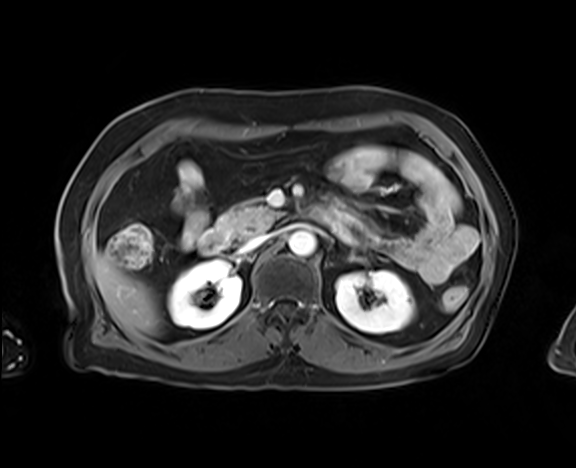

MRI, abdomen — Axial slice 28/72
{"organs":{"inferior vena cava":[243,234,270,250],"left kidney":[335,271,414,333],"pancreas":[228,204,279,238],"right kidney":[168,260,241,329],"duodenum":[199,211,233,254],"aorta":[288,231,316,256],"liver":[93,254,160,334]}}